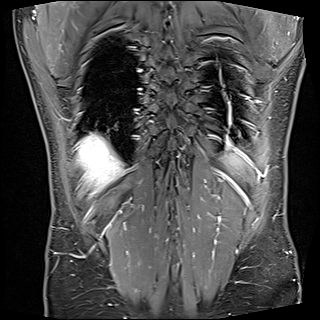 MRI, abdomen — coronal view — 320x320 px — acquired on Prisma
{"organs":{"spleen":[230,155,238,163],"liver":[78,133,122,192]}}